CT, abdomen/pelvis · axial plane, index 232 · W/L 400/40 HU · 512x512 px
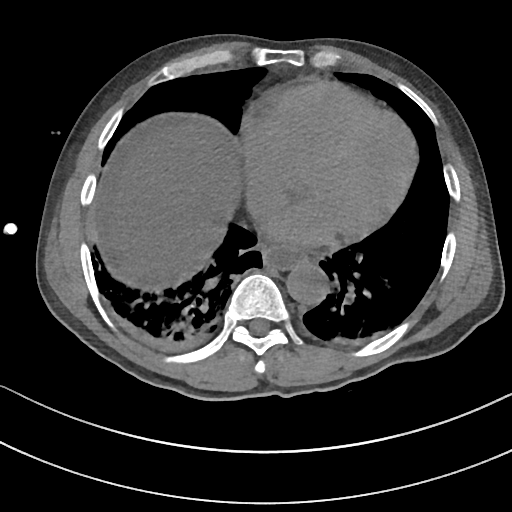

Boxes: x1 y1 x2 y2 (pixel coords, space-separated).
Organ bounding boxes:
- esophagus: 261 246 306 269
- liver: 107 123 238 283
- aorta: 287 264 328 305